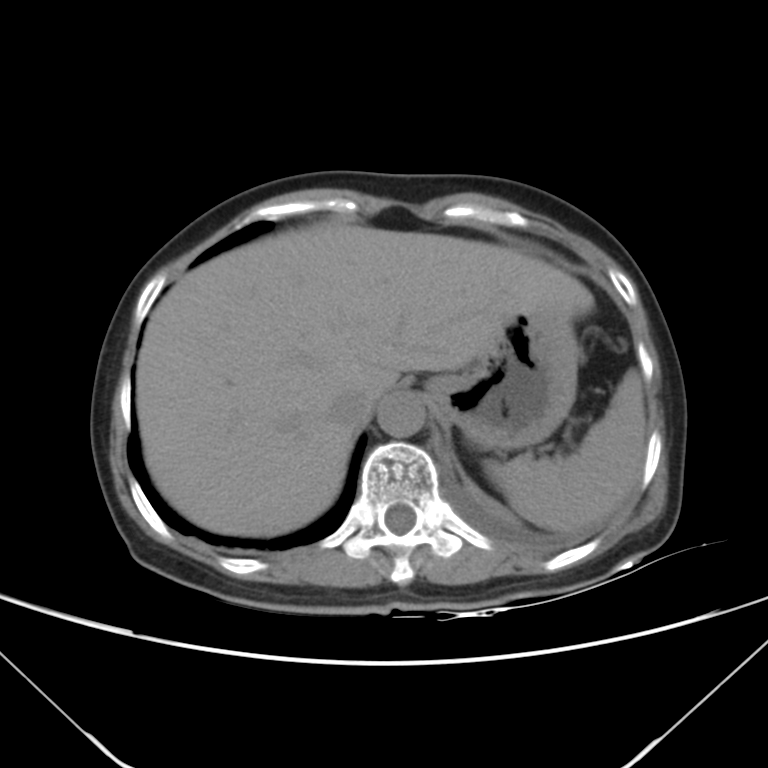

Computed tomography, abdomen; axial view; abdomen soft-tissue window; acquired on Brilliance16
Each box given as x1,y1,x2,y2.
Organ bounding boxes:
- liver: x1=136, y1=222, x2=592, y2=535
- spleen: x1=485, y1=372, x2=645, y2=530
- aorta: x1=377, y1=391, x2=425, y2=437
- stomach: x1=428, y1=309, x2=580, y2=451
- inferior vena cava: x1=332, y1=384, x2=376, y2=425